Lower-chest slice from an abdominal CT, just above the liver and spleen · axial view · SOMATOM Force scanner · scan has 15 labeled organs (a whole-scan count: organs this slice does not pass through have no box)
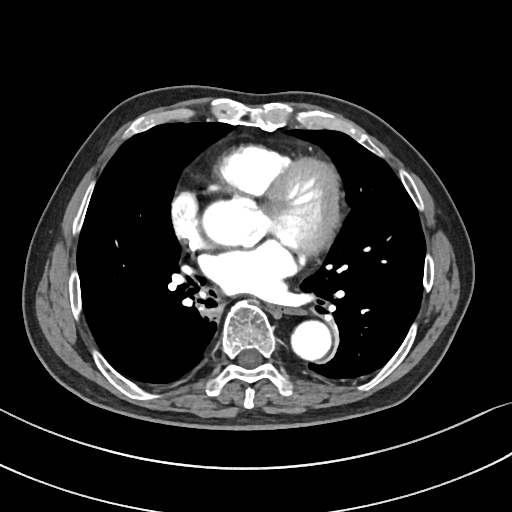

Of the structures in the chest, this dataset labels only the esophagus, the aorta and the inferior vena cava; the heart and lungs have no label.
<organs><organ name="esophagus" x1="274" y1="307" x2="297" y2="314"/><organ name="aorta" x1="291" y1="321" x2="331" y2="360"/></organs>